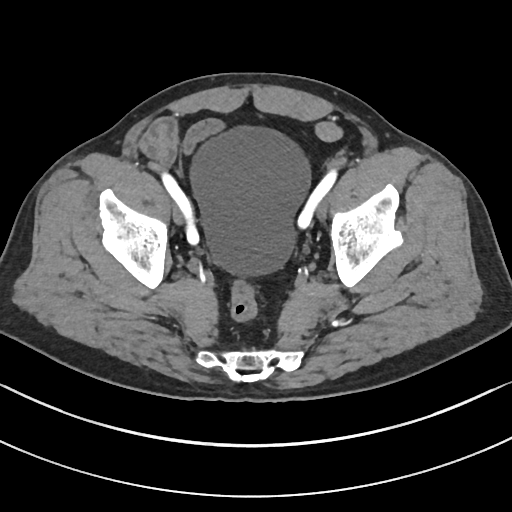

Abdominal CT · axial view · abdomen soft-tissue window · 512x512 px
Each box given as x1,y1,x2,y2.
Organ bounding boxes:
- bladder: x1=189, y1=126, x2=311, y2=276